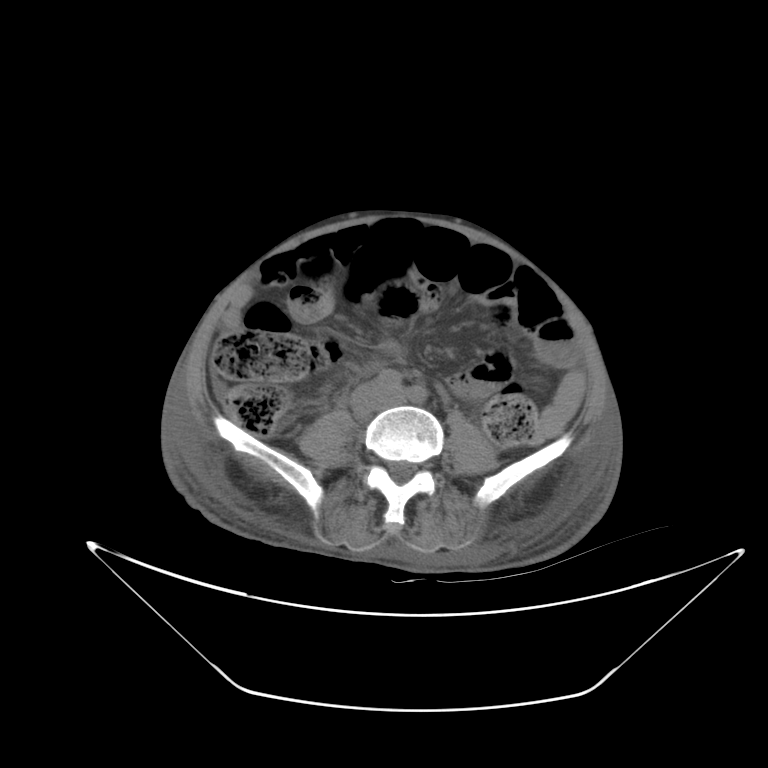 CT abdomen · axial view · abdomen soft-tissue window · 56-year-old male patient
<organs><organ name="inferior vena cava" x1="351" y1="383" x2="397" y2="414"/></organs>